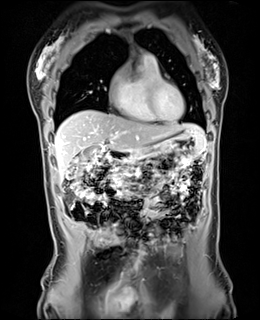

Abdominal MR. coronal view. percentile-normalized. 260x320 px. acquired on Prisma. scan has 13 labeled organs (a whole-scan count: organs this slice does not pass through have no box)
Each box given as x1,y1,x2,y2.
gall bladder: x1=81, y1=146, x2=102, y2=159
liver: x1=54, y1=110, x2=204, y2=181
stomach: x1=122, y1=128, x2=204, y2=163
duodenum: x1=107, y1=150, x2=127, y2=161